CT abdomen — axial plane, index 123 — soft-tissue window (W 400 / L 40) — scan has 15 labeled organs (counted over the whole 3D scan, not this slice; an organ is boxed only where this slice passes through it)
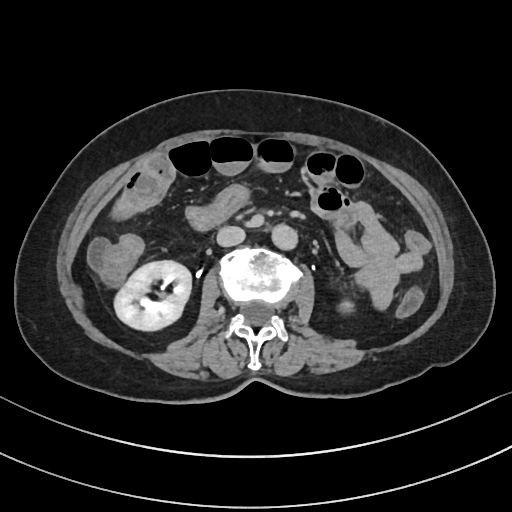
{"organs":{"aorta":[272,224,297,249],"left kidney":[339,300,353,312],"right kidney":[114,260,191,330],"inferior vena cava":[216,226,245,246]}}